Abdominal CT · axial view · scan has 15 labeled organs (that count is for the whole scan; organs this slice misses have no box)
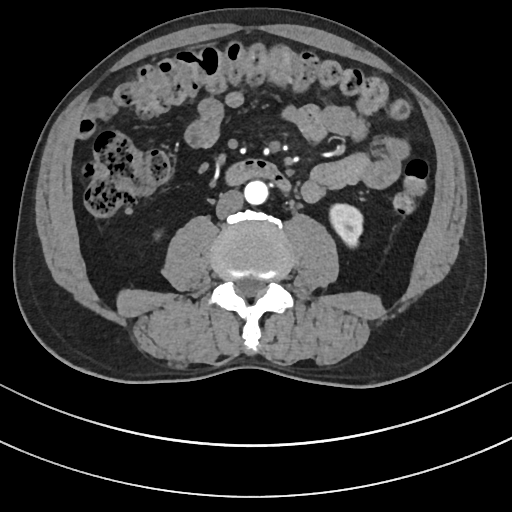
<organs><organ name="duodenum" x1="226" y1="159" x2="289" y2="190"/><organ name="aorta" x1="244" y1="180" x2="268" y2="204"/><organ name="left kidney" x1="329" y1="204" x2="362" y2="246"/><organ name="inferior vena cava" x1="216" y1="190" x2="243" y2="218"/></organs>